CT abdomen. axial view. 768x768 px. scan has 15 labeled organs (that count is for the whole scan; organs this slice misses have no box)
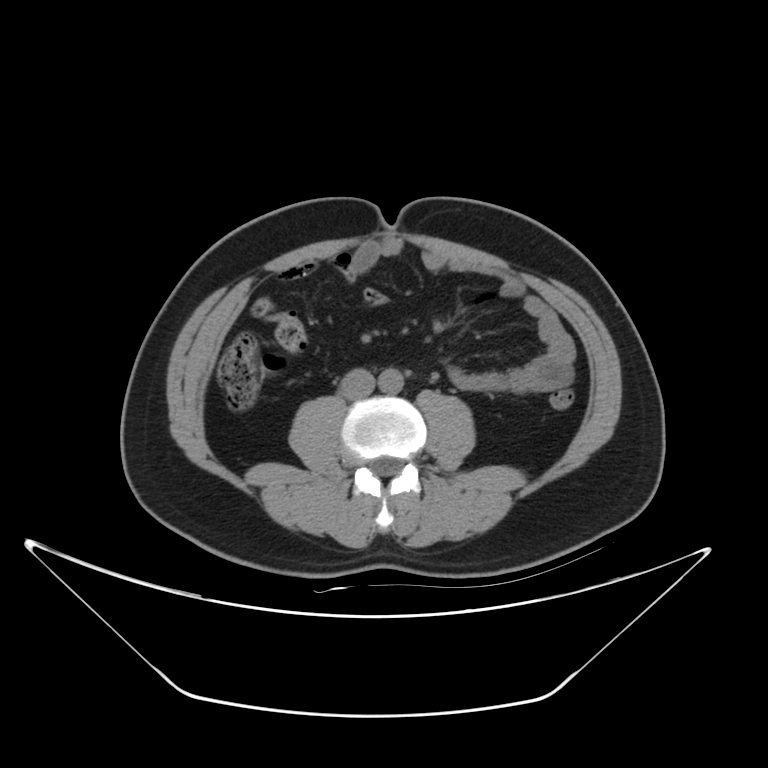
Boxes are (x1, y1, x2, y2) in pixels.
inferior vena cava: (339, 369, 374, 400)
aorta: (379, 369, 404, 393)